Abdominal CT — axial view — W/L 400/40 HU
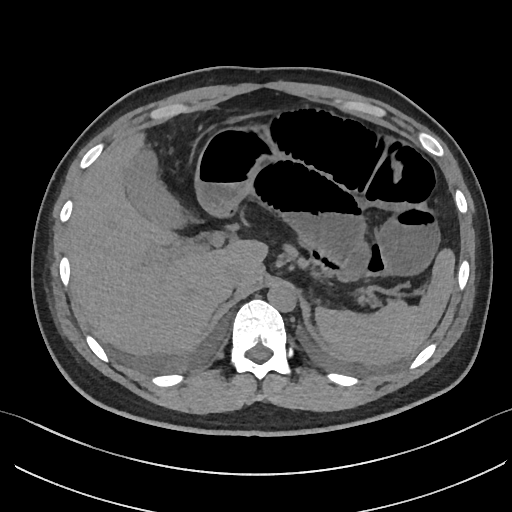
Boxes are (x1, y1, x2, y2) in pixels.
Organ bounding boxes:
- spleen: (315, 249, 454, 365)
- gall bladder: (123, 146, 188, 229)
- liver: (68, 133, 267, 355)
- stomach: (195, 126, 280, 214)
- aorta: (267, 285, 295, 311)
- inferior vena cava: (224, 267, 244, 290)
- pancreas: (285, 246, 306, 265)
- duodenum: (215, 208, 235, 216)